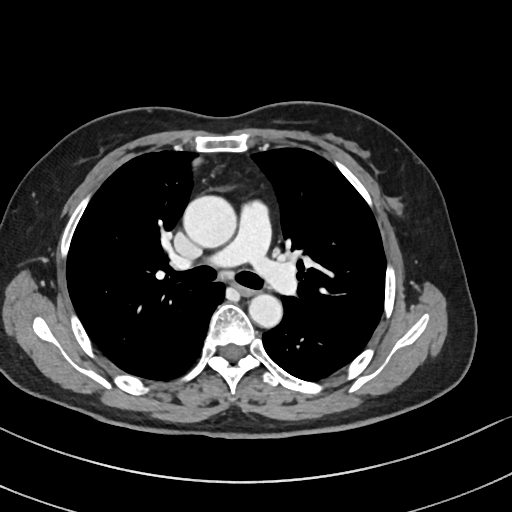 Abdominal CT reaching into the chest; this slice is in the chest; Axial slice 262/314; 512x512 px
At this level of the chest no structure but the esophagus and the aorta has a label in this dataset, and those two are boxed only where they are labeled.
Bounding boxes as [x1, y1, x2, y2] in pixel coordinates.
esophagus: [237, 285, 255, 295]
aorta: [183, 195, 235, 248]
aorta: [249, 294, 282, 328]